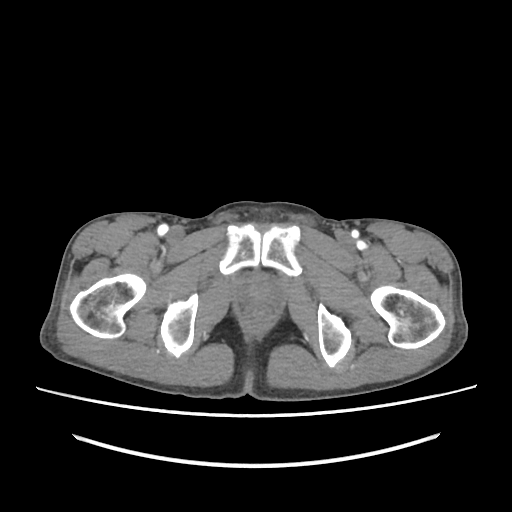 CT abdomen. axial plane, index 7. soft-tissue window (W 400 / L 40). 512x512 px. 62-year-old male patient
Boxes are (x1, y1, x2, y2) in pixels.
prostate/uterus: (240, 279, 278, 310)